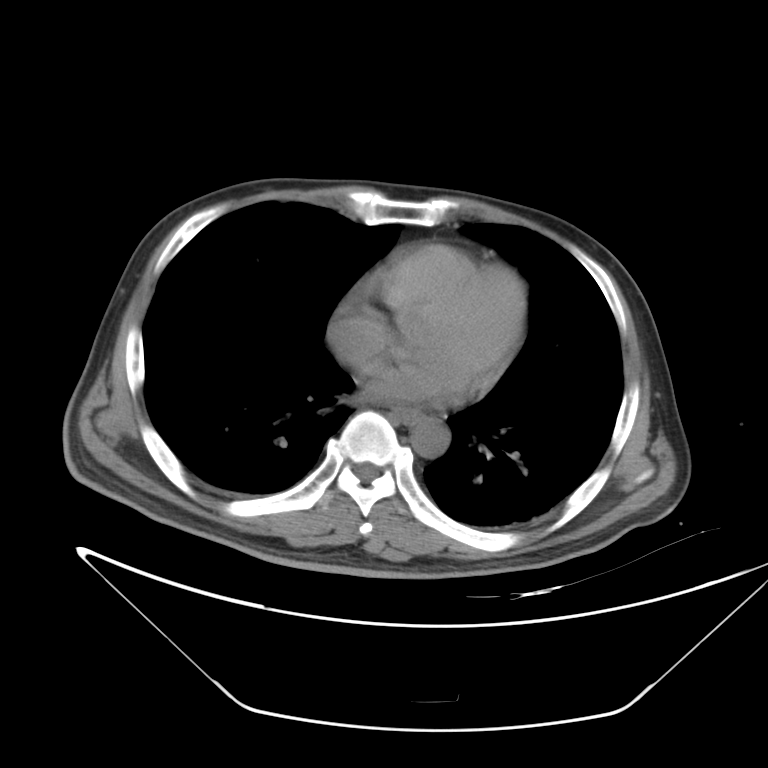 CT of the abdomen reaching into the lower chest, slice just above the liver and spleen — axial plane, index 101 — 768x768 px — Brilliance16 scanner — 15 organs annotated in this scan (that count is for the whole scan; organs this slice misses have no box)
No part of the heart or lungs is labeled in this dataset, so neither has a box here.
Organ boxes in pixel coordinates; each row gives the top-left (x1, y1) and bottom-right (x2, y2) corners.
| organ | x1 | y1 | x2 | y2 |
|---|---|---|---|---|
| aorta | 410 | 417 | 449 | 457 |
| esophagus | 391 | 409 | 421 | 424 |